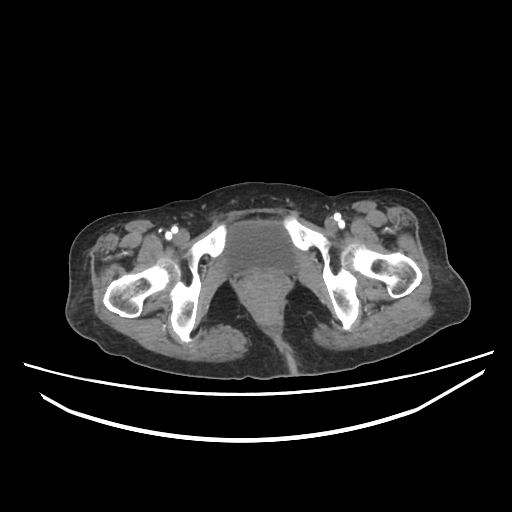 CT, abdomen/pelvis; axial view; 512x512 px; Aquilion ONE scanner
<organs><organ name="bladder" x1="227" y1="221" x2="294" y2="270"/></organs>